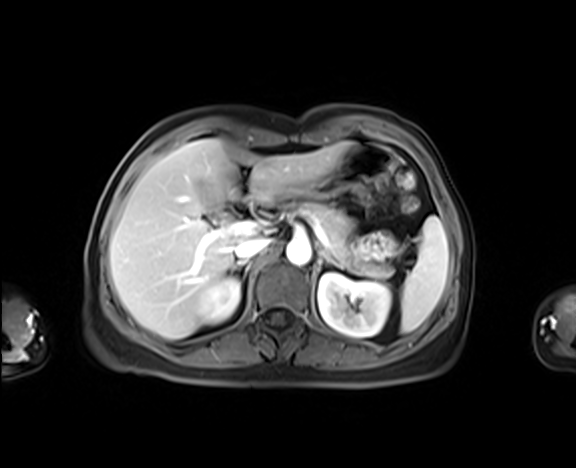 Abdominal MRI · Axial slice 43/72
Boxes: x1 y1 x2 y2 (pixel coords, space-separated). 11 labeled organs on this slice — spleen at 401 216 448 332; right kidney at 198 276 240 323; left kidney at 318 273 391 337; liver at 109 139 348 339; stomach at 288 142 395 198; aorta at 286 239 311 265; inferior vena cava at 234 237 269 258; pancreas at 296 202 391 277; right adrenal gland at 231 261 246 270; left adrenal gland at 318 251 341 268; duodenum at 236 189 247 199.